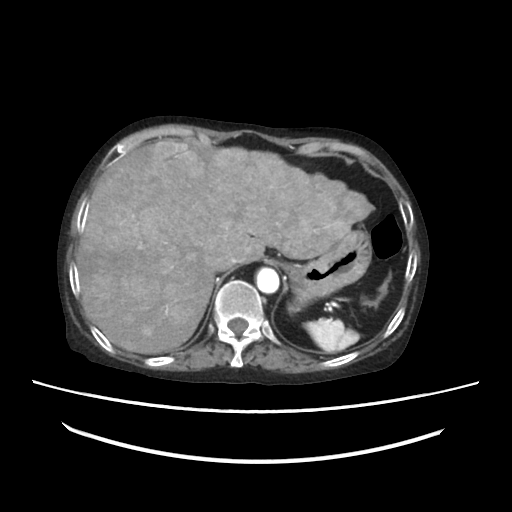 CT abdomen. Axial slice 74/89. abdomen soft-tissue window. 512x512 px
Boxes: x1 y1 x2 y2 (pixel coords, space-separated).
liver: 76 140 373 352
inferior vena cava: 212 257 233 271
stomach: 274 231 372 304
aorta: 257 269 279 293
spleen: 305 319 358 350